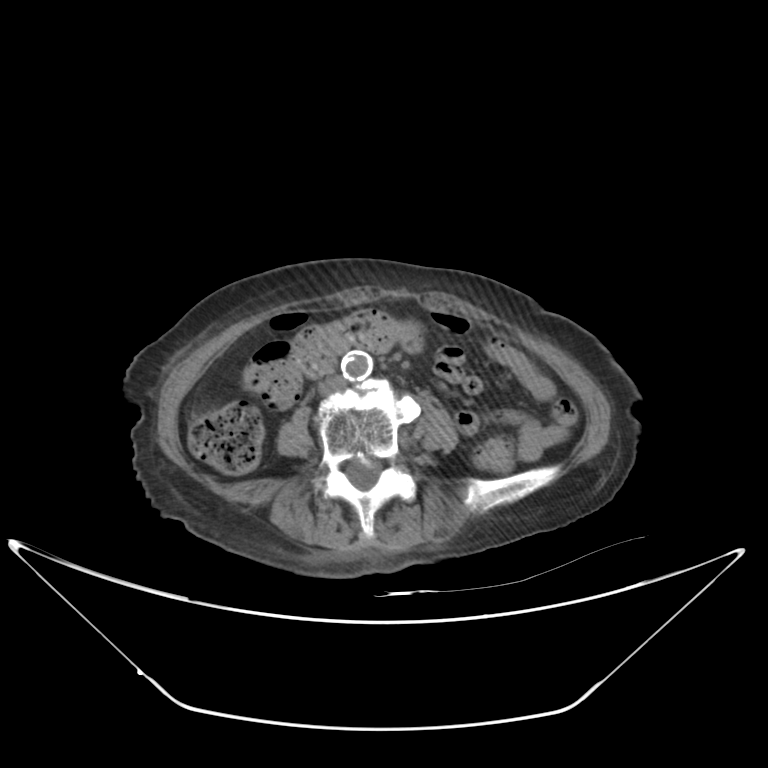 CT, abdomen/pelvis — axial view — soft-tissue window
<organs><organ name="aorta" x1="341" y1="351" x2="372" y2="380"/><organ name="inferior vena cava" x1="318" y1="376" x2="346" y2="394"/></organs>